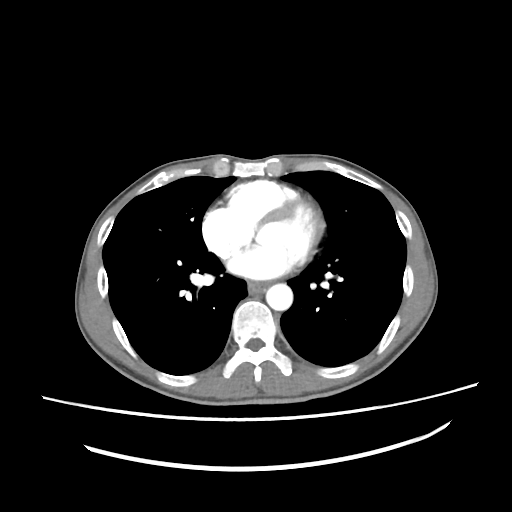
Abdominal CT reaching into the chest; this slice is in the chest; axial view; soft-tissue window, W/L 400/40; scan has 14 labeled organs (a whole-scan count: organs this slice does not pass through have no box)
On a slice this high in the chest, this dataset labels only the esophagus and the aorta, and each is boxed only where it is labeled; the heart, lungs and other chest structures are not labeled.
Bounding boxes in pixels, one row per box: x1, y1 is the top-left corner and x2, y2 the bottom-right.
| organ | x1 | y1 | x2 | y2 |
|---|---|---|---|---|
| esophagus | 248 | 282 | 267 | 292 |
| aorta | 266 | 283 | 292 | 310 |